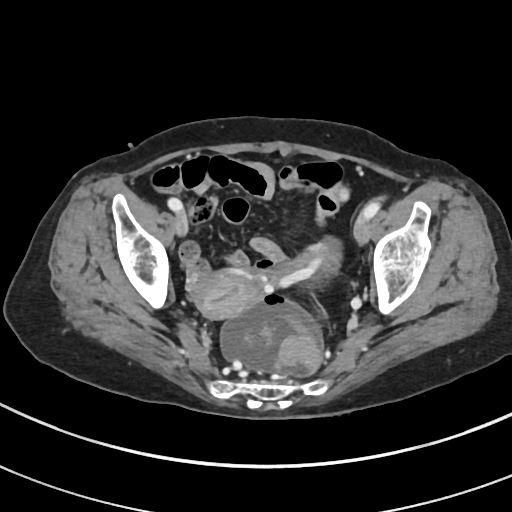
Abdominal CT — axial view — soft-tissue window (W 400 / L 40)
<organs><organ name="prostate/uterus" x1="192" y1="272" x2="252" y2="318"/></organs>